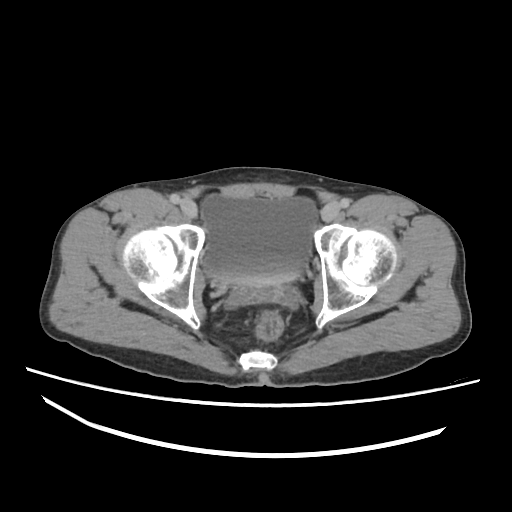

Computed tomography, abdomen — axial view — soft-tissue window (W 400 / L 40) — scan has 15 labeled organs (a whole-scan count: organs this slice does not pass through have no box)
<organs><organ name="bladder" x1="202" y1="194" x2="317" y2="285"/></organs>